Computed tomography, abdomen — axial view — soft-tissue window
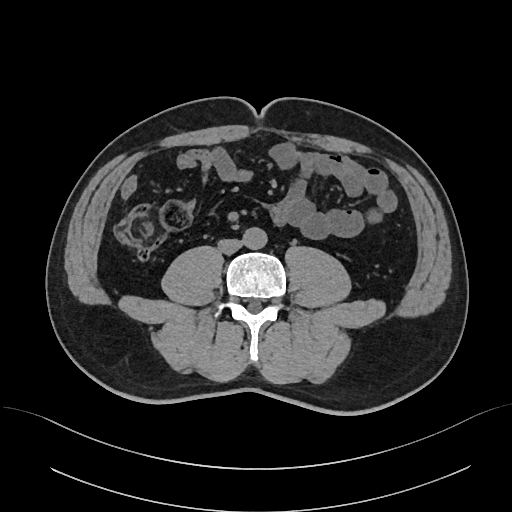 Coordinates as <box>x1,y1,x2,y2</box> in pixels. Labeled organs on this slice: aorta at <box>243,227,267,249</box>, inferior vena cava at <box>218,239,242,253</box>.